Abdominal CT · axial view · soft-tissue window · 63-year-old female patient
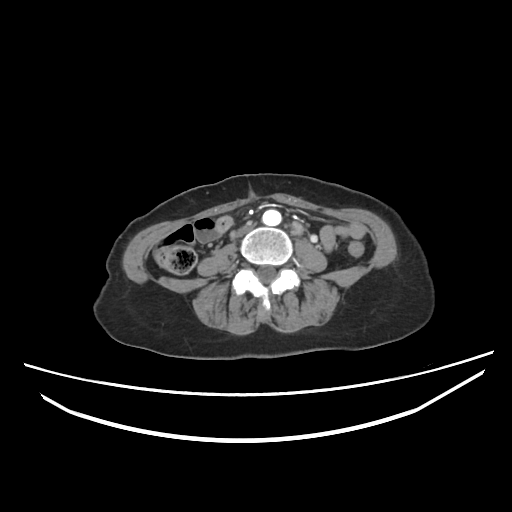

<organs><organ name="aorta" x1="263" y1="209" x2="281" y2="225"/><organ name="inferior vena cava" x1="232" y1="223" x2="253" y2="237"/></organs>